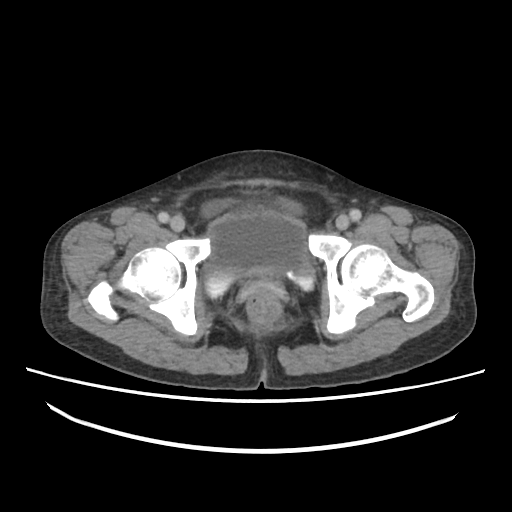 Abdominal CT · Axial slice 15/100 · W/L 400/40 HU · 512x512 px · 71-year-old female patient · acquired on Aquilion ONE
Boxes: x1:y1:x2:y2 in pixels. 1 labeled organ on this slice — bladder at 202:211:314:300.